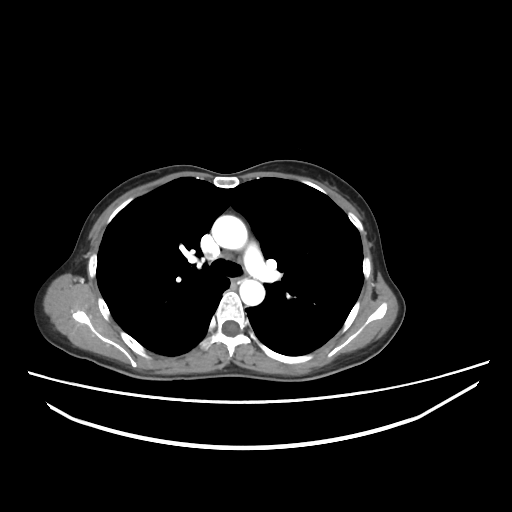

CT of the abdomen extending into the chest, slice through the chest. axial plane, index 93. soft-tissue window. 43-year-old female patient
At this level of the chest this dataset labels only the esophagus and the aorta, and each is boxed only where it is labeled; the heart and lungs are never labeled.
Box edges are left/top/right/bottom in pixels.
Organ bounding boxes:
- esophagus: left=231, top=277, right=245, bottom=283
- aorta: left=211, top=215, right=247, bottom=249
- aorta: left=239, top=279, right=264, bottom=305